Computed tomography, abdomen · axial plane, index 65 · 768x768 px · 56-year-old male patient · Brilliance16 scanner
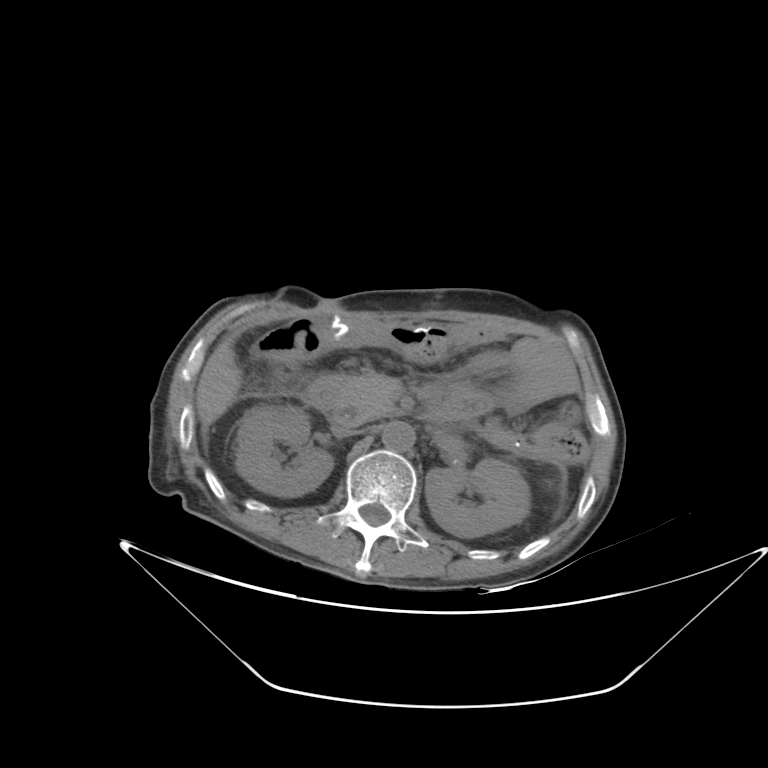 <organs><organ name="right kidney" x1="236" y1="406" x2="333" y2="496"/><organ name="left kidney" x1="425" y1="458" x2="530" y2="537"/><organ name="liver" x1="196" y1="340" x2="241" y2="426"/><organ name="aorta" x1="382" y1="421" x2="415" y2="451"/><organ name="inferior vena cava" x1="331" y1="424" x2="356" y2="438"/><organ name="pancreas" x1="331" y1="374" x2="397" y2="424"/><organ name="duodenum" x1="300" y1="376" x2="340" y2="412"/></organs>